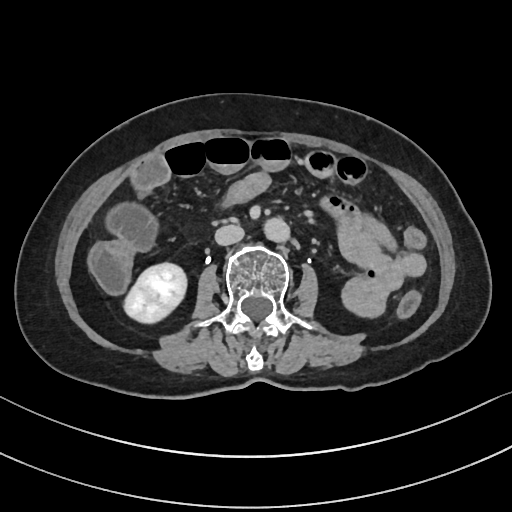 CT, abdomen/pelvis · axial plane, index 118 · abdomen soft-tissue window · 512x512 px · acquired on SOMATOM Force
Coordinates as <box>x1,y1,x2,y2</box> in pixels. 3 labeled organs on this slice — right kidney at <box>124,263,186,323</box>; aorta at <box>264,217,289,242</box>; inferior vena cava at <box>215,225,244,245</box>.